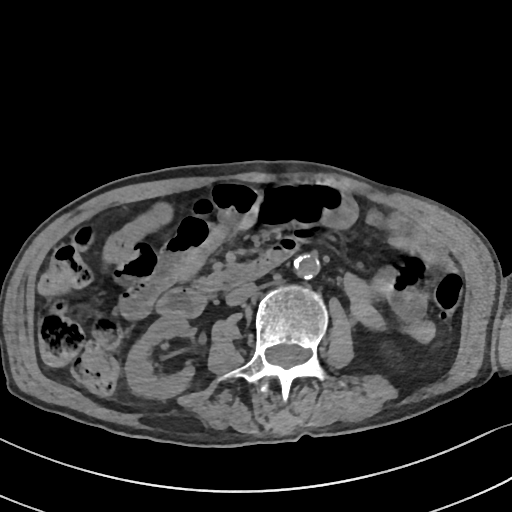 CT abdomen; axial plane, index 116; W/L 400/40 HU; 15 organs annotated in this scan (counted over the whole 3D scan, not this slice; an organ is boxed only where this slice passes through it)
Each box given as x1,y1,x2,y2. Labeled organs on this slice: right kidney at x1=125, y1=316, x2=194, y2=399, aorta at x1=293, y1=254, x2=320, y2=279, inferior vena cava at x1=225, y1=282, x2=255, y2=305, pancreas at x1=192, y1=273, x2=222, y2=295, duodenum at x1=156, y1=239, x2=298, y2=318.